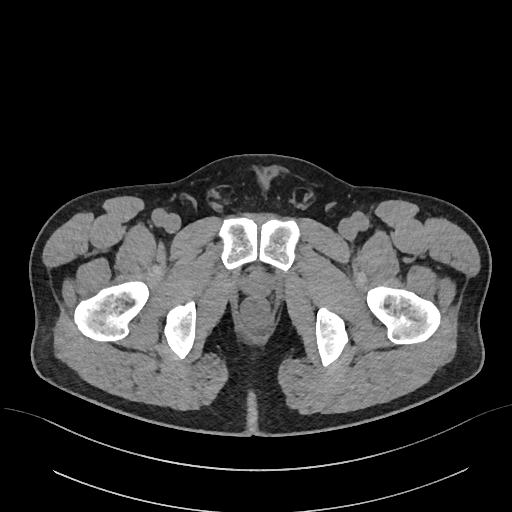 Abdominal CT · axial view · W/L 400/40 HU · scan has 15 labeled organs (counted over the whole 3D scan, not this slice; an organ is boxed only where this slice passes through it)
{"organs":{"prostate/uterus":[247,278,267,294]}}